Lower-chest slice from an abdominal CT, just above the liver and spleen; axial plane, index 235
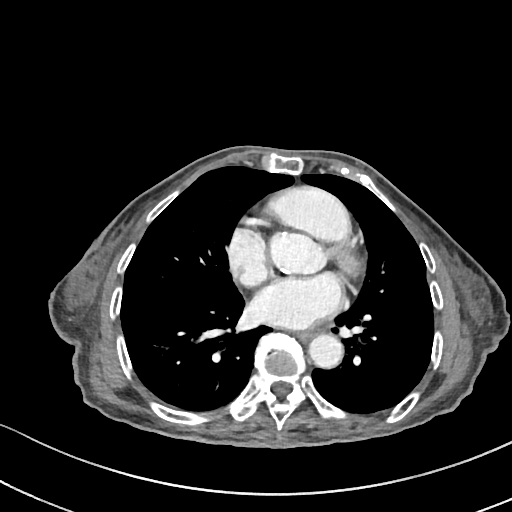
No part of the heart or lungs is labeled in this dataset, so neither has a box here.
{"organs":{"aorta":[308,333,342,367],"esophagus":[296,329,312,340]}}